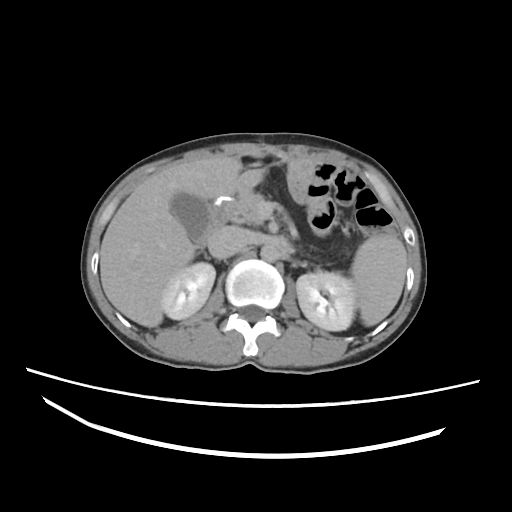
Computed tomography, abdomen. axial view. abdomen soft-tissue window. 512x512 px
<organs><organ name="spleen" x1="352" y1="232" x2="407" y2="325"/><organ name="right kidney" x1="165" y1="261" x2="215" y2="320"/><organ name="left kidney" x1="295" y1="271" x2="357" y2="331"/><organ name="gall bladder" x1="170" y1="194" x2="211" y2="243"/><organ name="liver" x1="99" y1="156" x2="287" y2="327"/><organ name="aorta" x1="260" y1="244" x2="279" y2="260"/><organ name="inferior vena cava" x1="207" y1="227" x2="246" y2="258"/><organ name="pancreas" x1="227" y1="192" x2="265" y2="224"/><organ name="right adrenal gland" x1="205" y1="255" x2="210" y2="258"/><organ name="duodenum" x1="198" y1="192" x2="233" y2="248"/></organs>